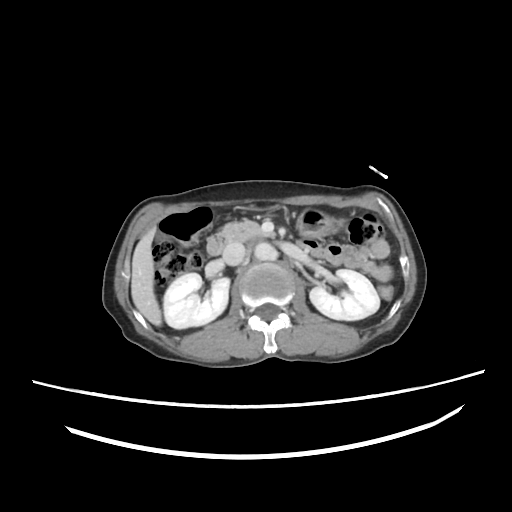 CT abdomen; axial view; W/L 400/40 HU; 68-year-old female patient; Aquilion ONE scanner
<organs><organ name="right kidney" x1="163" y1="273" x2="229" y2="329"/><organ name="left kidney" x1="310" y1="269" x2="380" y2="320"/><organ name="liver" x1="132" y1="227" x2="162" y2="325"/><organ name="stomach" x1="294" y1="209" x2="344" y2="239"/><organ name="aorta" x1="255" y1="242" x2="277" y2="260"/><organ name="inferior vena cava" x1="222" y1="242" x2="246" y2="266"/><organ name="pancreas" x1="222" y1="221" x2="278" y2="242"/><organ name="duodenum" x1="206" y1="234" x2="228" y2="255"/></organs>